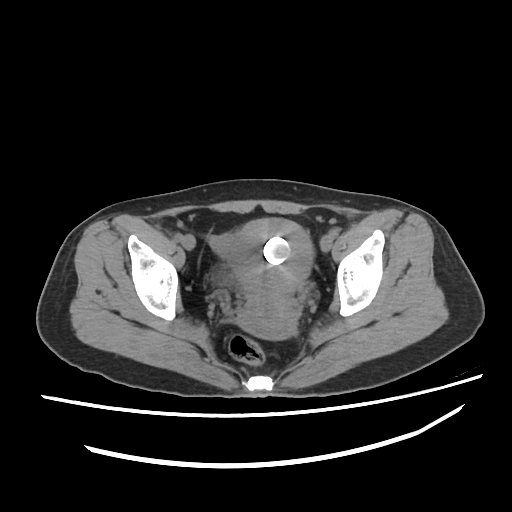
CT abdomen. axial view. soft-tissue window. scan has 15 labeled organs (a whole-scan count: organs this slice does not pass through have no box)
Coordinates as <box>x1,y1,x2,y2</box> in pixels.
Organ bounding boxes:
- bladder: <box>210,267,233,287</box>
- prostate/uterus: <box>214,219,311,338</box>